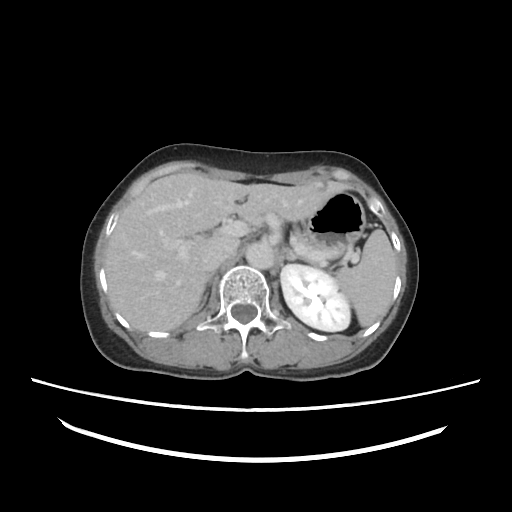
Abdominal CT; Axial slice 64/82; abdomen soft-tissue window; 54-year-old female patient; acquired on Aquilion ONE
Boxes: x1 y1 x2 y2 (pixel coords, space-separated).
spleen: 333 229 395 327
left kidney: 280 263 350 331
liver: 105 172 351 331
stomach: 301 192 364 258
aorta: 245 243 274 268
inferior vena cava: 201 236 241 272
right adrenal gland: 201 273 214 306
left adrenal gland: 279 245 320 268